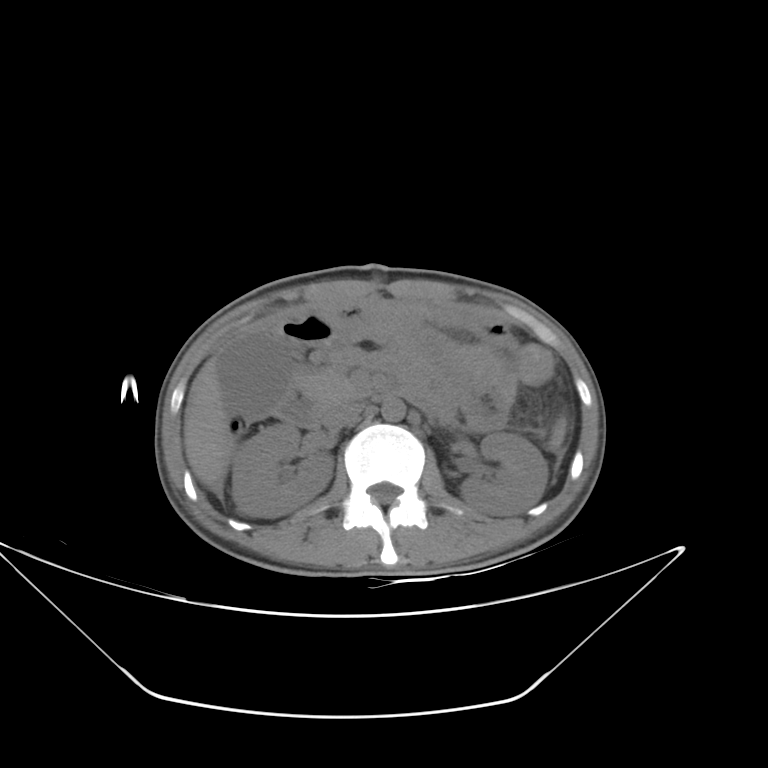

CT abdomen · axial view · soft-tissue window · 768x768 px
<organs><organ name="right kidney" x1="231" y1="424" x2="333" y2="517"/><organ name="left kidney" x1="460" y1="432" x2="548" y2="516"/><organ name="liver" x1="184" y1="355" x2="230" y2="488"/><organ name="aorta" x1="381" y1="398" x2="405" y2="421"/><organ name="inferior vena cava" x1="322" y1="402" x2="363" y2="430"/><organ name="pancreas" x1="300" y1="375" x2="353" y2="406"/><organ name="duodenum" x1="276" y1="385" x2="322" y2="427"/></organs>